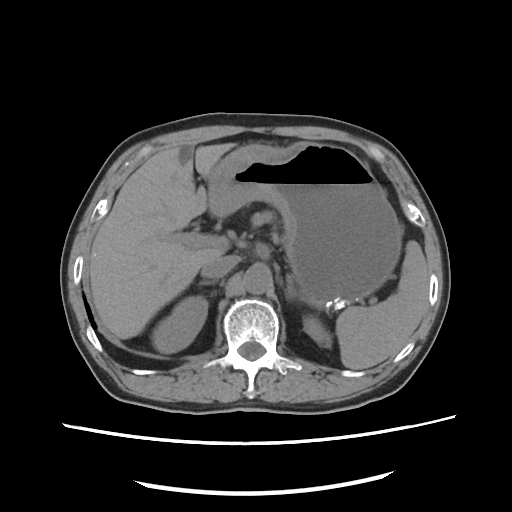 CT abdomen — axial view — W/L 400/40 HU
{"organs":{"pancreas":[253,212,273,224],"inferior vena cava":[201,255,238,278],"liver":[89,143,235,339],"right kidney":[154,296,207,354],"spleen":[336,240,428,369],"right adrenal gland":[203,281,212,284],"left adrenal gland":[286,274,296,299],"aorta":[243,263,272,293],"stomach":[208,142,402,307],"left kidney":[303,316,331,347]}}